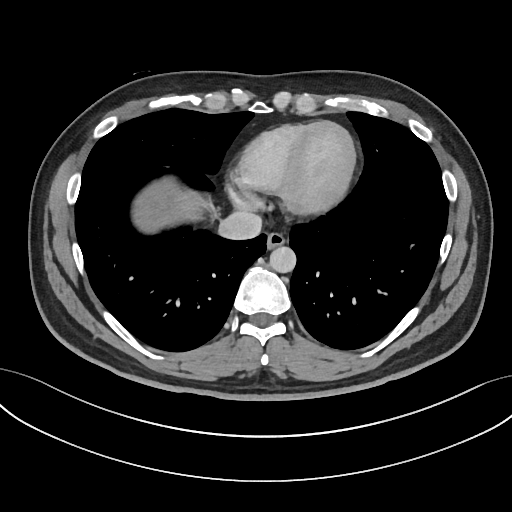 Computed tomography, abdomen. Axial slice 239/345
Coordinates as <box>x1,y1,x2,y2</box> in pixels.
esophagus: <box>266,232,285,249</box>
aorta: <box>269,246,296,272</box>
liver: <box>133,178,205,232</box>
inferior vena cava: <box>218,211,261,240</box>